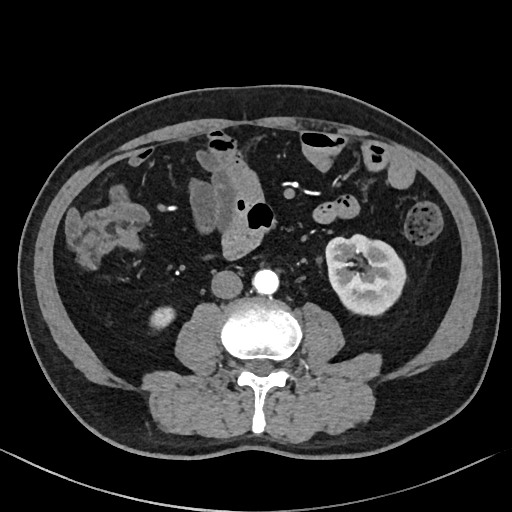 Computed tomography, abdomen; Axial slice 113/245; W/L 400/40 HU; 512x512 px; SOMATOM Force scanner
One row per box, in pixels: columns x1 and y1 give the top-left corner, x2 and y2 the bottom-right.
| organ | x1 | y1 | x2 | y2 |
|---|---|---|---|---|
| right kidney | 151 | 308 | 173 | 328 |
| left kidney | 325 | 235 | 407 | 314 |
| aorta | 253 | 269 | 279 | 294 |
| inferior vena cava | 212 | 270 | 242 | 299 |